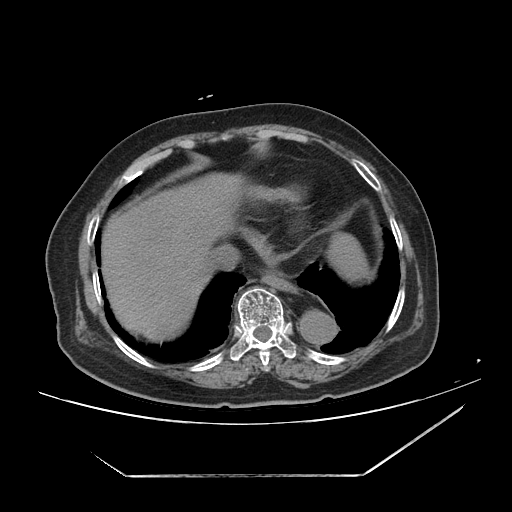 CT, abdomen/pelvis. axial plane, index 145. soft-tissue window
Box edges are left/top/right/bottom in pixels.
Organ bounding boxes:
- spleen: left=329, top=233, right=367, bottom=280
- esophagus: left=263, top=274, right=297, bottom=293
- liver: left=103, top=175, right=243, bottom=335
- aorta: left=300, top=311, right=337, bottom=344
- inferior vena cava: left=205, top=242, right=243, bottom=270